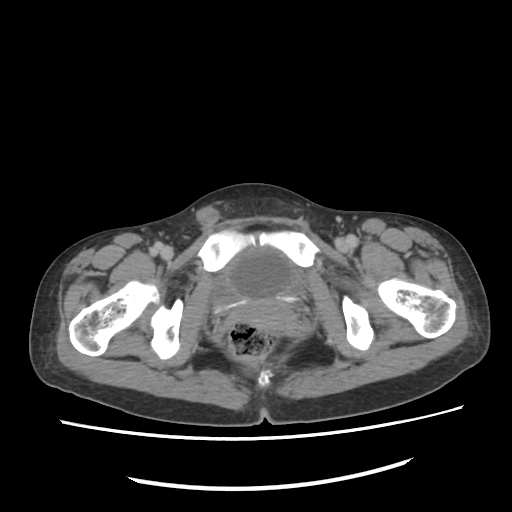 CT abdomen; Axial slice 18/112
One row per box, in pixels: columns x1 and y1 give the top-left corner, x2 and y2 the bottom-right.
| organ | x1 | y1 | x2 | y2 |
|---|---|---|---|---|
| bladder | 210 | 244 | 301 | 316 |
| prostate/uterus | 236 | 302 | 295 | 335 |